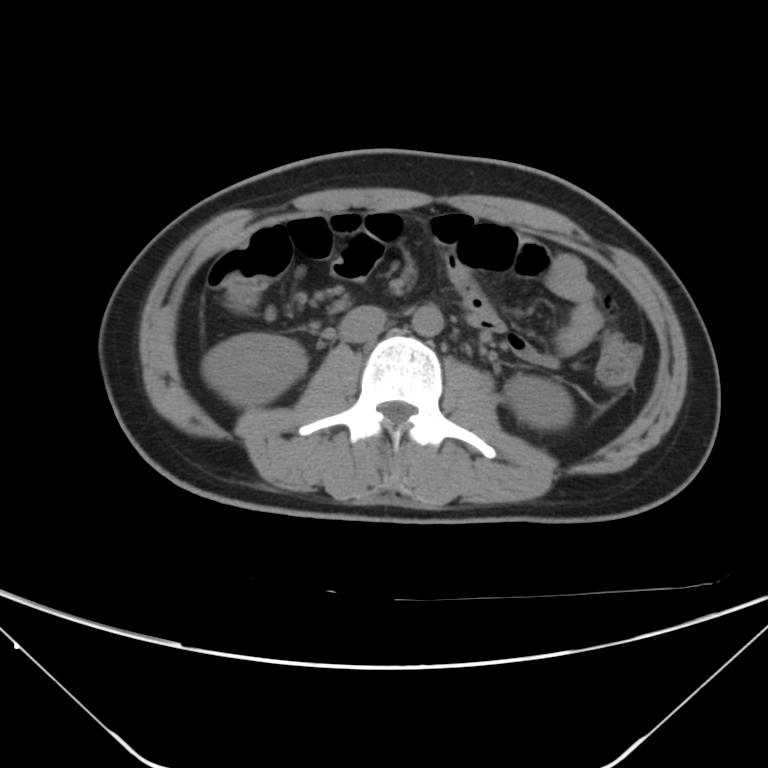 CT abdomen — axial view
Each box given as x1,y1,x2,y2.
Organ bounding boxes:
- right kidney: x1=202, y1=334, x2=305, y2=406
- inferior vena cava: x1=340, y1=304, x2=386, y2=342
- aorta: x1=412, y1=304, x2=443, y2=336
- left kidney: x1=506, y1=374, x2=573, y2=429